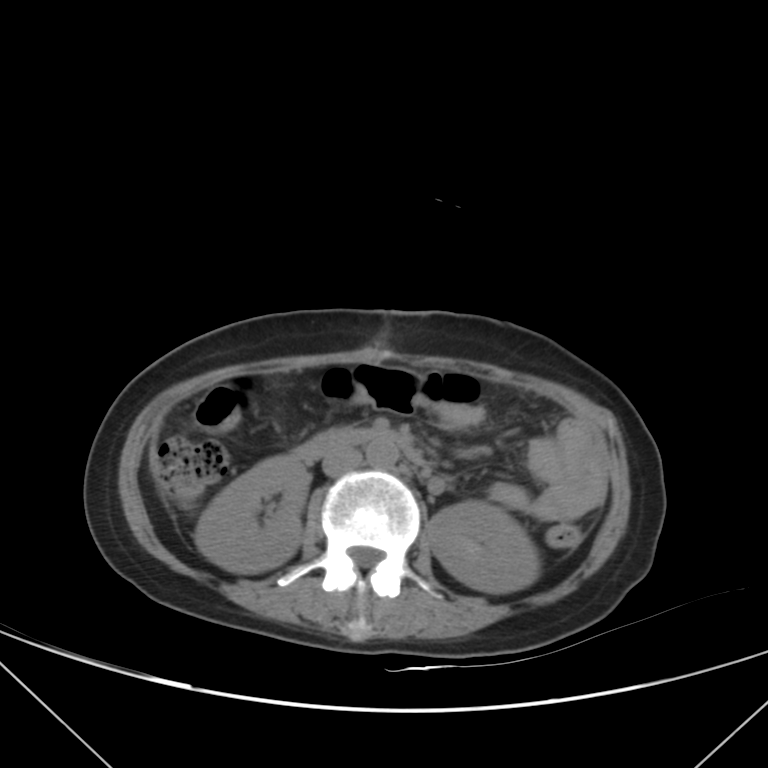
Computed tomography, abdomen. axial view
{"organs":{"inferior vena cava":[321,448,363,476],"left kidney":[428,501,539,593],"aorta":[367,440,398,469],"right kidney":[195,455,309,572],"duodenum":[293,428,425,466]}}